Computed tomography, abdomen · Axial slice 44/80 · scan has 15 labeled organs (a whole-scan count: organs this slice does not pass through have no box)
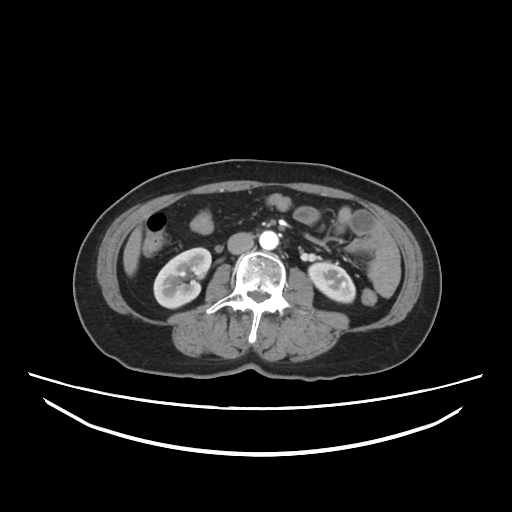
Each box given as x1,y1,x2,y2.
Organ bounding boxes:
- right kidney: x1=153, y1=247, x2=210, y2=307
- left kidney: x1=309, y1=262, x2=355, y2=302
- liver: x1=122, y1=226, x2=144, y2=275
- aorta: x1=258, y1=231, x2=278, y2=249
- inferior vena cava: x1=227, y1=231, x2=254, y2=254